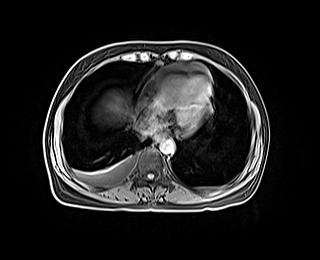
Abdominal MRI. axial view. 13 organs annotated in this scan (that count is for the whole scan; organs this slice misses have no box)
Bounding boxes as [x1, y1, x2, y2] in pixel coordinates. The annotated organs in this slice are: aorta at [159, 139, 174, 154], liver at [104, 95, 125, 118], inferior vena cava at [135, 120, 155, 135], esophagus at [155, 133, 166, 141].